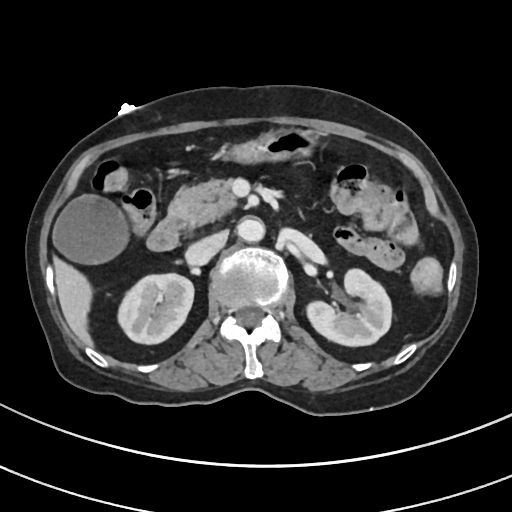

Abdominal CT — Axial slice 138/284 — soft-tissue window — 512x512 px — 15 organs annotated in this scan (a whole-scan count: organs this slice does not pass through have no box)
Boxes: x1:y1:x2:y2 in pixels.
Organ bounding boxes:
- right kidney: 119:274:193:344
- left kidney: 304:269:391:346
- gall bladder: 54:195:130:263
- liver: 52:254:94:348
- stomach: 222:129:317:161
- aorta: 238:218:265:242
- inferior vena cava: 185:231:227:263
- pancreas: 169:179:236:226
- duodenum: 147:217:186:250